CT, abdomen/pelvis. axial plane, index 166
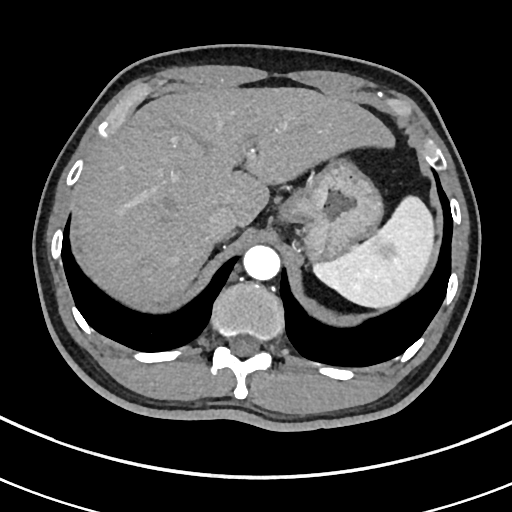 Boxes are (x1, y1, x2, y2) in pixels.
Organ bounding boxes:
- spleen: (316, 195, 433, 307)
- liver: (78, 87, 394, 304)
- stomach: (283, 158, 384, 261)
- aorta: (243, 245, 279, 279)
- inferior vena cava: (205, 206, 236, 242)